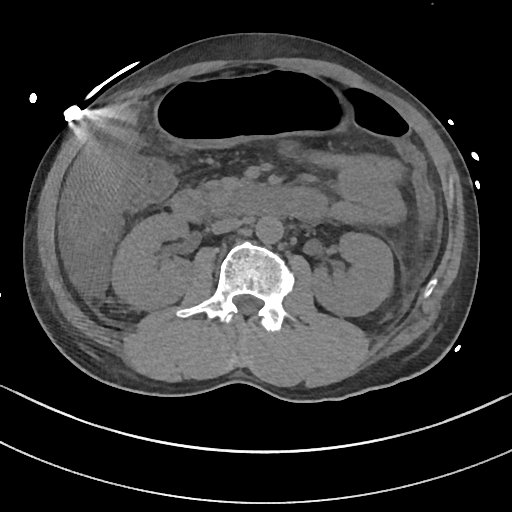

Abdominal CT; axial view; soft-tissue window (W 400 / L 40)
Boxes are (x1, y1, x2, y2) in pixels. The annotated organs in this slice are: right kidney at (112, 212, 191, 308), left kidney at (311, 233, 395, 315), liver at (65, 110, 134, 242), stomach at (154, 71, 342, 146), aorta at (255, 215, 283, 243), inferior vena cava at (211, 217, 243, 233), pancreas at (206, 178, 247, 206), duodenum at (171, 182, 323, 221).